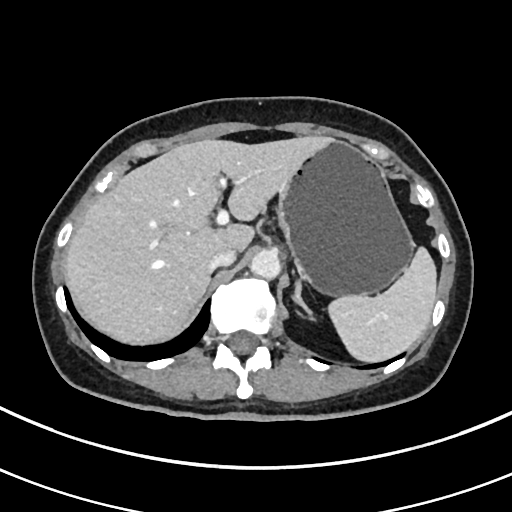
CT, abdomen/pelvis — axial plane, index 157
Each box given as x1,y1,x2,y2.
spleen: x1=326, y1=249, x2=436, y2=362
liver: x1=65, y1=136, x2=331, y2=342
stomach: x1=277, y1=141, x2=415, y2=296
aorta: x1=250, y1=250, x2=282, y2=279
inferior vena cava: x1=208, y1=248, x2=236, y2=270
left adrenal gland: x1=293, y1=281, x2=313, y2=315